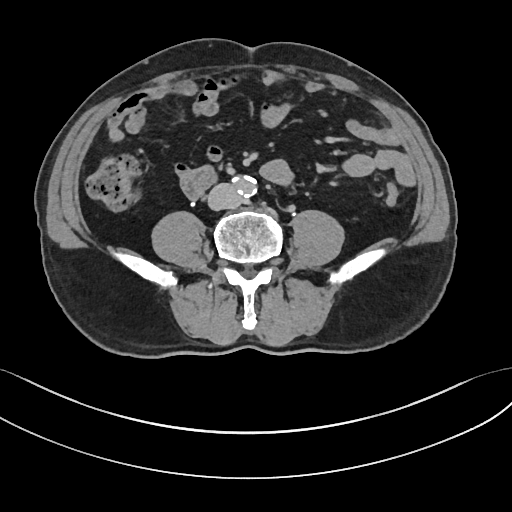

CT, abdomen/pelvis; axial view; soft-tissue window; SOMATOM Force scanner
Bounding boxes in pixels, one row per box: x1, y1 is the top-left corner and x2, y2 the bottom-right.
| organ | x1 | y1 | x2 | y2 |
|---|---|---|---|---|
| aorta | 235 | 176 | 257 | 197 |
| inferior vena cava | 208 | 183 | 242 | 210 |
| duodenum | 181 | 166 | 215 | 197 |